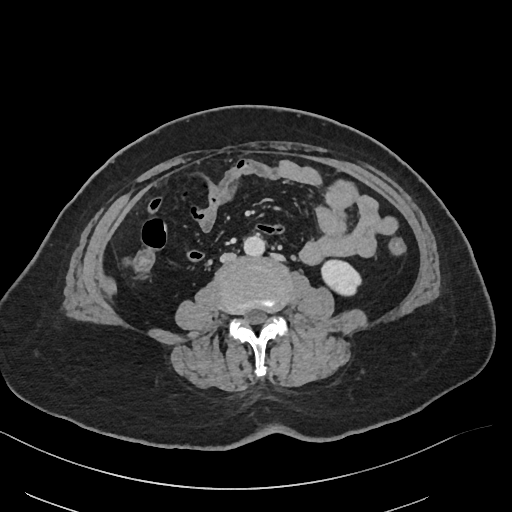
CT, abdomen/pelvis; axial plane, index 123; soft-tissue window (W 400 / L 40); acquired on SOMATOM Force
{"organs":{"left kidney":[321,260,361,295],"aorta":[243,235,265,256],"inferior vena cava":[220,252,236,262]}}